Abdominal CT — axial view
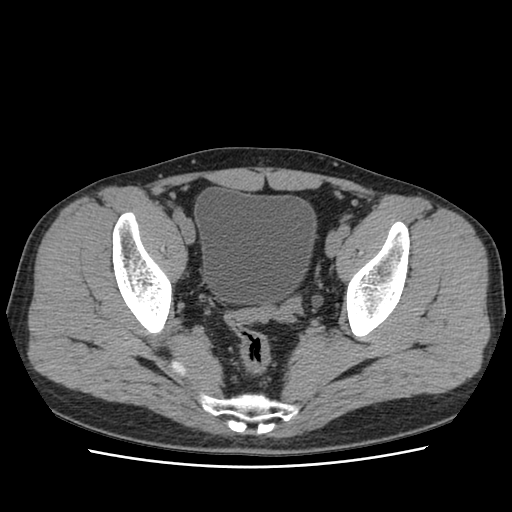 <organs><organ name="bladder" x1="194" y1="187" x2="316" y2="305"/></organs>